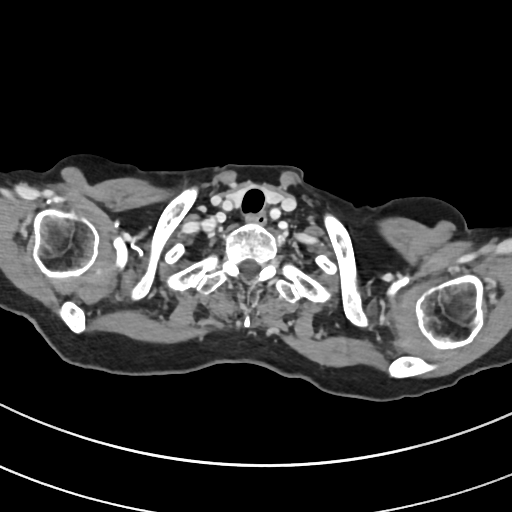 CT of the abdomen extending into the chest, slice through the chest. axial view. scan has 15 labeled organs (counted over the whole 3D scan, not this slice; an organ is boxed only where this slice passes through it)
At this level of the chest no structure but the esophagus and the aorta has a label in this dataset, and those two are boxed only where they are labeled.
{"organs":{"esophagus":[244,213,266,224]}}